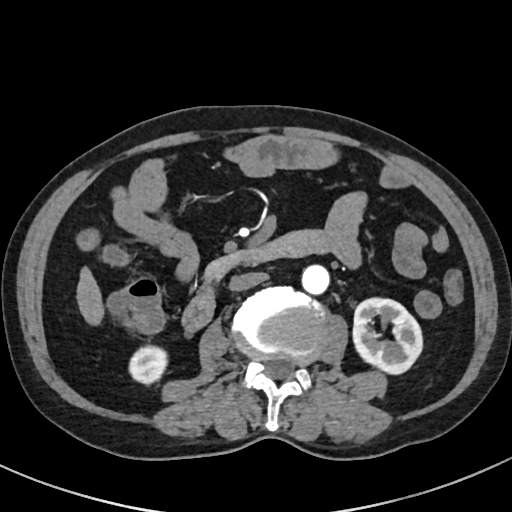 Abdominal CT — axial view
Boxes are (x1, y1, x2, y2) in pixels.
left kidney: (352, 298, 422, 374)
aorta: (302, 265, 329, 294)
inferior vena cava: (229, 272, 268, 291)
pancreas: (206, 250, 248, 281)
duodenum: (181, 230, 324, 333)
right kidney: (129, 345, 167, 384)
liver: (76, 266, 104, 325)